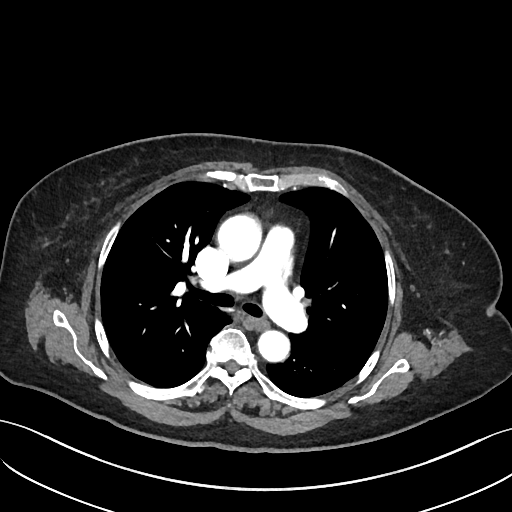
Chest-level CT slice, above the liver and spleen — axial view — SOMATOM Force scanner — scan has 15 labeled organs (counted over the whole 3D scan, not this slice; an organ is boxed only where this slice passes through it)
At this level of the chest no structure but the esophagus and the aorta has a label in this dataset, and those two are boxed only where they are labeled.
Boxes are (x1, y1, x2, y2) in pixels.
esophagus: (253, 317, 268, 329)
aorta: (217, 215, 261, 262)
aorta: (258, 330, 289, 361)